CT, abdomen/pelvis. axial plane, index 31. soft-tissue window. SOMATOM Force scanner
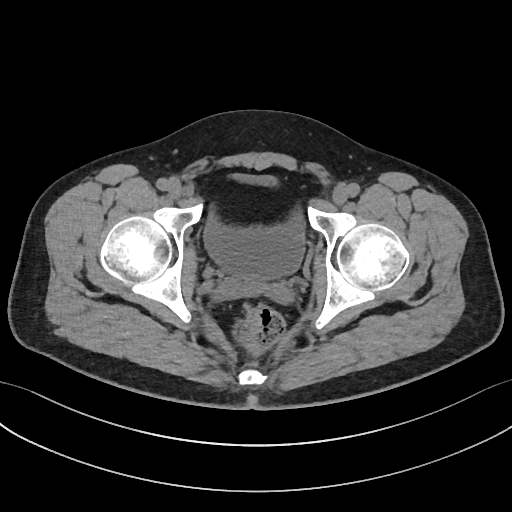 One row per box, in pixels: columns x1 and y1 give the top-left corner, x2 and y2 the bottom-right.
| organ | x1 | y1 | x2 | y2 |
|---|---|---|---|---|
| bladder | 204 | 215 | 304 | 278 |